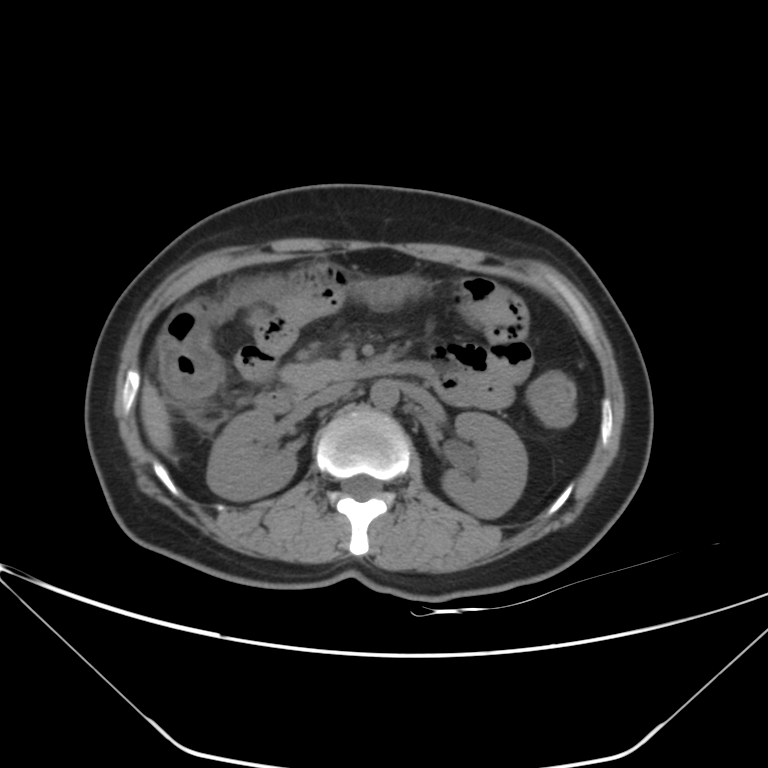
CT, abdomen/pelvis. axial plane, index 55. abdomen soft-tissue window. 768x768 px
Box edges are left/top/right/bottom in pixels.
Organ bounding boxes:
- pancreas: left=280, top=360, right=347, bottom=392
- right kidney: left=206, top=409, right=296, bottom=499
- liver: left=140, top=379, right=172, bottom=455
- duodenum: left=255, top=360, right=433, bottom=413
- aorta: left=370, top=379, right=399, bottom=408
- left kidney: left=442, top=412, right=528, bottom=518
- inferior vena cava: left=308, top=381, right=353, bottom=405